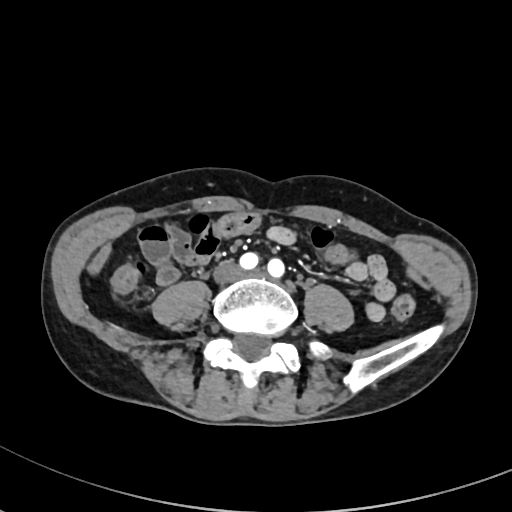
CT, abdomen/pelvis; axial view; abdomen soft-tissue window; 512x512 px
Boxes: x1 y1 x2 y2 (pixel coords, space-separated). 1 labeled organ on this slice — inferior vena cava at 214 262 242 282.